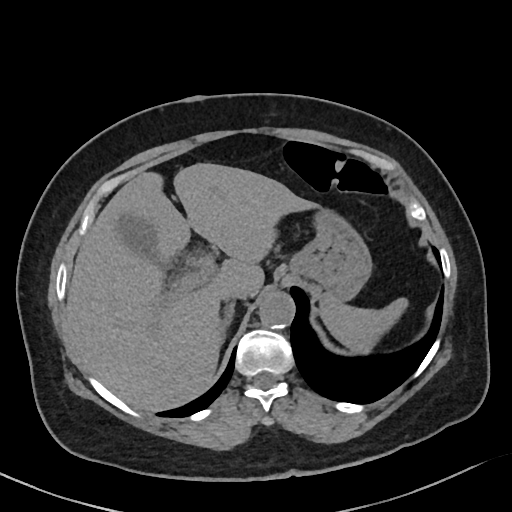

Abdominal CT — Axial slice 158/192 — 512x512 px
Bounding boxes in pixels, one row per box: x1, y1 is the top-left corner and x2, y2 the bottom-right.
| organ | x1 | y1 | x2 | y2 |
|---|---|---|---|---|
| spleen | 321 | 293 | 407 | 349 |
| gall bladder | 120 | 217 | 160 | 260 |
| liver | 67 | 163 | 316 | 412 |
| stomach | 288 | 211 | 370 | 298 |
| aorta | 259 | 292 | 294 | 328 |
| inferior vena cava | 223 | 284 | 252 | 302 |
| right adrenal gland | 223 | 304 | 235 | 339 |